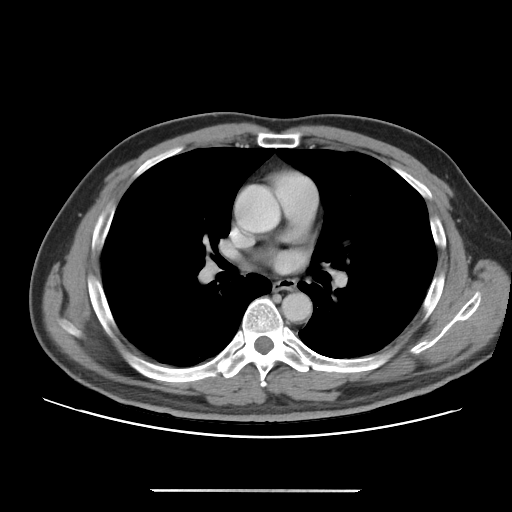 Abdominal CT reaching into the chest; this slice is in the chest. axial view. soft-tissue window
At this level of the chest this dataset labels only the esophagus and the aorta, and each is boxed only where it is labeled; the heart and lungs are never labeled.
{"organs":{"aorta":[[234,184,280,233],[281,292,312,322]],"esophagus":[273,279,295,290]}}